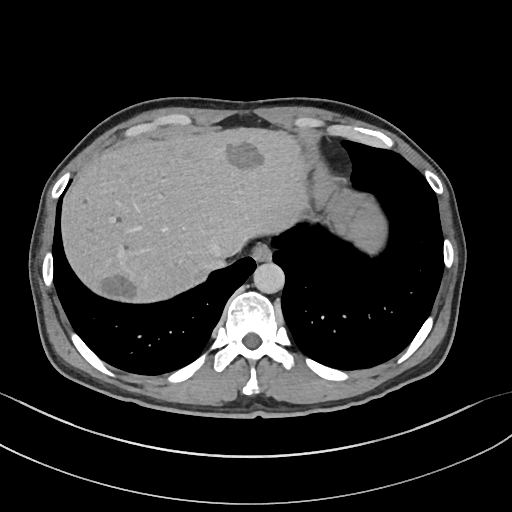 Abdominal CT — axial view — soft-tissue window — 512x512 px
{"organs":{"esophagus":[252,243,271,261],"liver":[62,129,385,302],"aorta":[254,262,284,293],"inferior vena cava":[207,257,228,269]}}